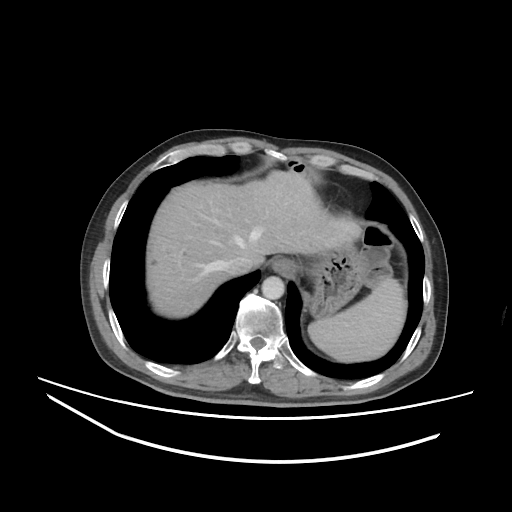
Abdominal CT — axial view — 512x512 px — 54-year-old male patient — 15 organs annotated in this scan (that count is for the whole scan; organs this slice misses have no box)
Boxes: x1 y1 x2 y2 (pixel coords, space-separated).
spleen: 308 278 406 362
esophagus: 271 258 294 275
liver: 147 170 362 317
stomach: 304 242 361 317
aorta: 261 276 284 299
inferior vena cava: 222 255 252 275